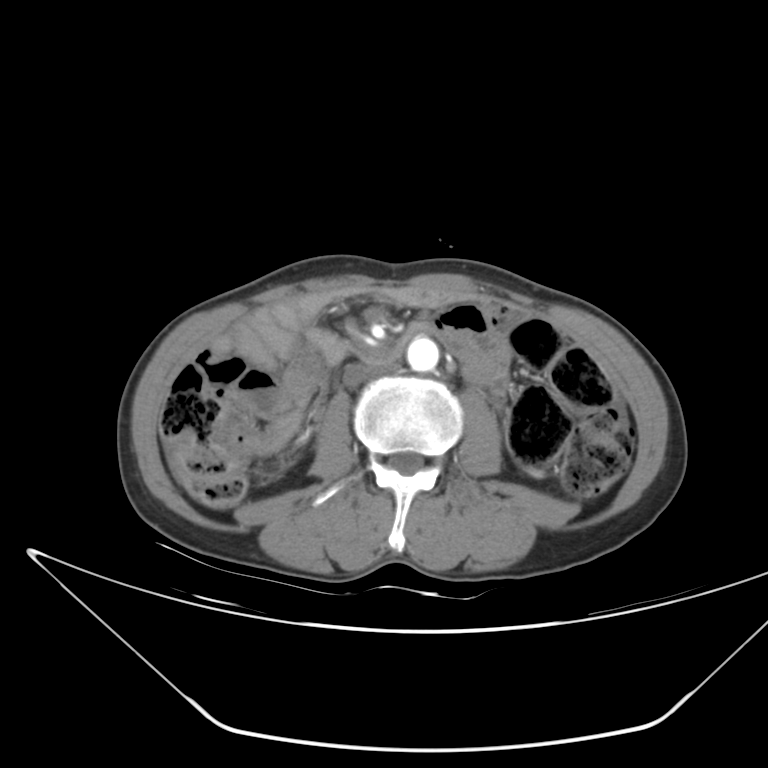
Abdominal CT; axial view; soft-tissue window (W 400 / L 40); 62-year-old male patient; Brilliance16 scanner
Bounding boxes in pixels, one row per box: x1, y1 is the top-left corner and x2, y2 the bottom-right.
| organ | x1 | y1 | x2 | y2 |
|---|---|---|---|---|
| aorta | 406 | 337 | 439 | 371 |
| inferior vena cava | 344 | 362 | 393 | 387 |